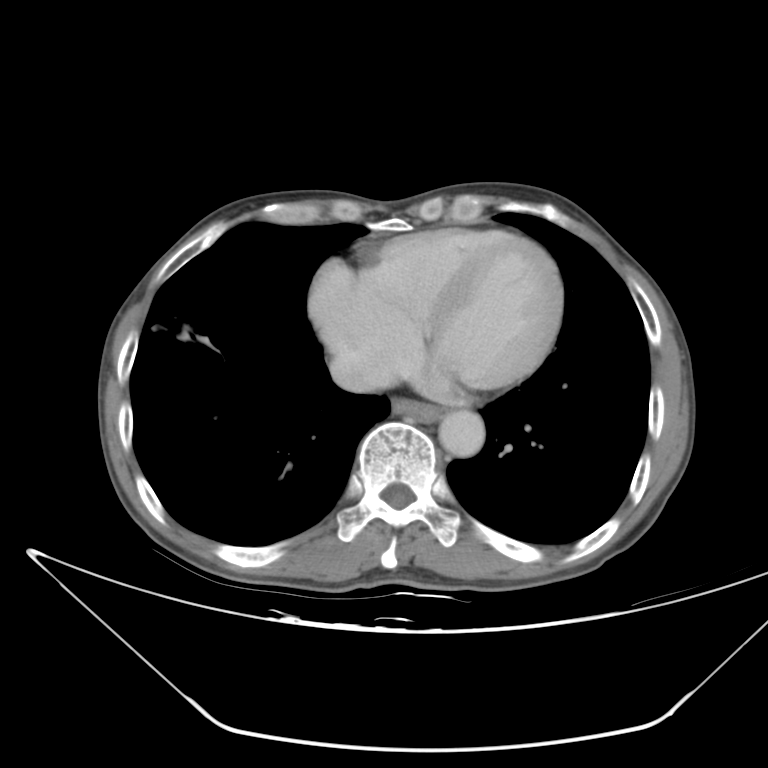 Lower-chest slice from an abdominal CT, just above the liver and spleen — axial plane, index 59 — soft-tissue window — 768x768 px
No part of the heart or lungs is labeled in this dataset, so neither has a box here.
Coordinates as <box>x1,y1,x2,y2</box> in pixels.
Organ bounding boxes:
- esophagus: <box>392,400,441,421</box>
- aorta: <box>439,412,485,455</box>
- inferior vena cava: <box>330,355,385,393</box>